CT abdomen — axial view — soft-tissue window
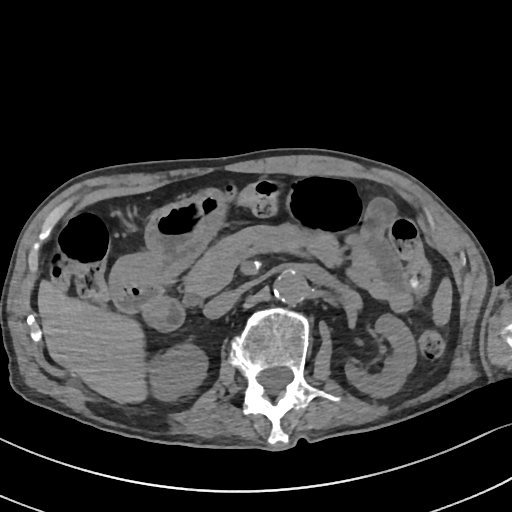 Bounding boxes as [x1, y1, x2, y2] in pixel coordinates. The annotated organs in this slice are: spleen at [431, 278, 451, 324], right kidney at [149, 342, 208, 402], left kidney at [345, 315, 417, 397], liver at [38, 282, 146, 402], stomach at [108, 191, 226, 295], aorta at [275, 269, 307, 302], inferior vena cava at [204, 290, 238, 319], pancreas at [182, 224, 337, 306], duodenum at [115, 285, 184, 331].